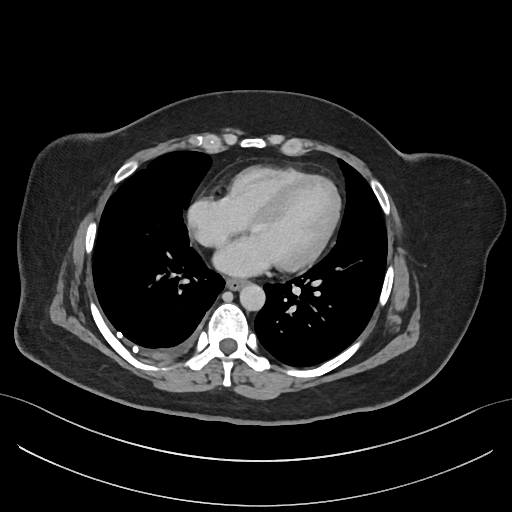

CT of the abdomen reaching into the lower chest, slice just above the liver and spleen — Axial slice 221/305 — acquired on SOMATOM Force
The heart and lungs are never labeled in this dataset, so they have no box on this slice.
One row per box, in pixels: columns x1 and y1 give the top-left corner, x2 and y2 the bottom-right.
| organ | x1 | y1 | x2 | y2 |
|---|---|---|---|---|
| esophagus | 226 | 279 | 246 | 290 |
| aorta | 239 | 284 | 265 | 311 |